CT abdomen; Axial slice 13/276; 512x512 px; 15 organs annotated in this scan (counted over the whole 3D scan, not this slice; an organ is boxed only where this slice passes through it)
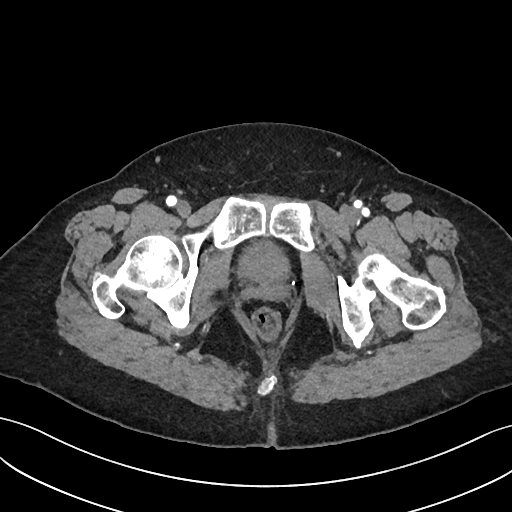

<organs><organ name="bladder" x1="239" y1="244" x2="286" y2="280"/></organs>